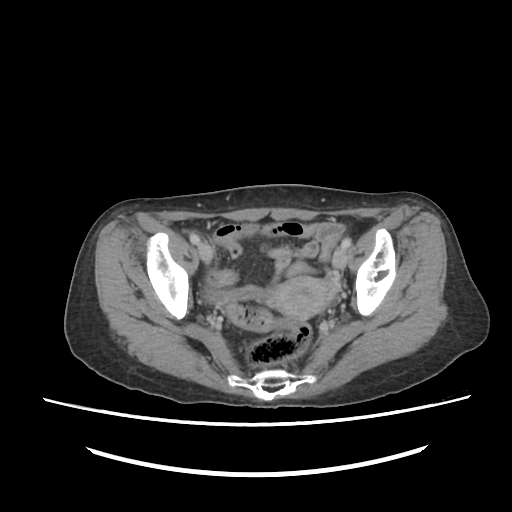 Abdominal CT. axial plane, index 26. soft-tissue window. 60-year-old female patient. Aquilion ONE scanner. 15 organs annotated in this scan (that count is for the whole scan; organs this slice misses have no box)
Boxes: x1 y1 x2 y2 (pixel coords, space-separated). 1 labeled organ on this slice — prostate/uterus at 264 276 336 318.